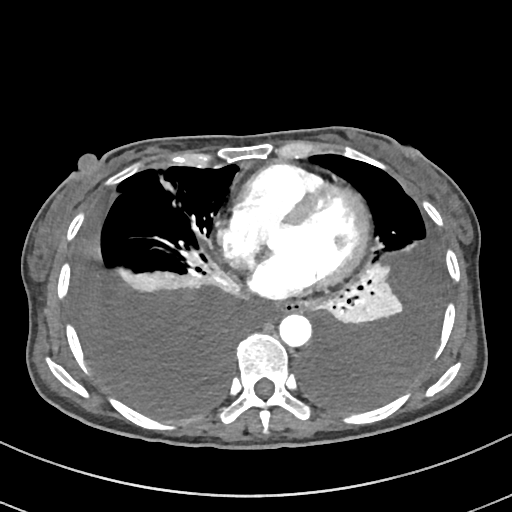
Lower-chest slice from an abdominal CT, just above the liver and spleen. axial view. 512x512 px. acquired on SOMATOM Force. scan has 15 labeled organs (a whole-scan count: organs this slice does not pass through have no box)
The heart and lungs are never labeled in this dataset, so they have no box on this slice.
Organ boxes in pixel coordinates; each row gives the top-left (x1, y1) and bottom-right (x2, y2) corners.
| organ | x1 | y1 | x2 | y2 |
|---|---|---|---|---|
| esophagus | 273 | 302 | 302 | 312 |
| aorta | 279 | 313 | 311 | 346 |